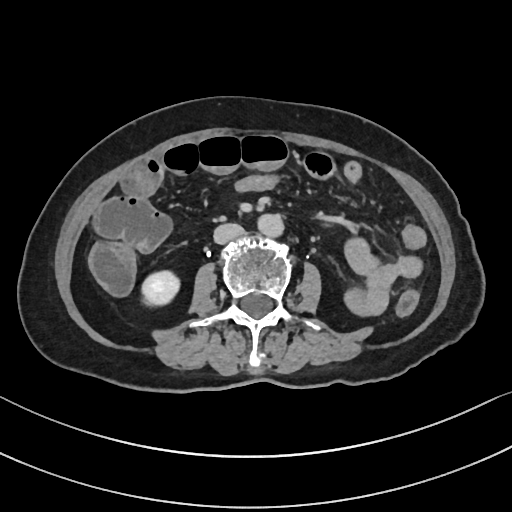

Abdominal CT; Axial slice 115/212; 512x512 px
Bounding boxes in pixels, one row per box: x1, y1 is the top-left corner and x2, y2 the bottom-right.
| organ | x1 | y1 | x2 | y2 |
|---|---|---|---|---|
| right kidney | 141 | 272 | 178 | 304 |
| aorta | 255 | 213 | 281 | 235 |
| inferior vena cava | 213 | 223 | 243 | 243 |